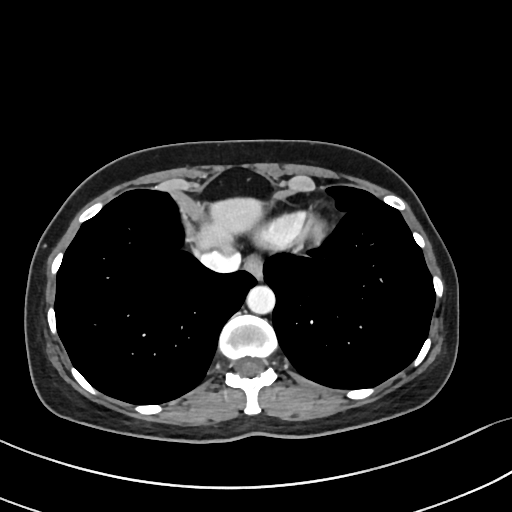 CT abdomen; axial view; W/L 400/40 HU
Bounding boxes as [x1, y1, x2, y2] in pixel coordinates.
Organ bounding boxes:
- esophagus: [244, 256, 262, 279]
- liver: [195, 197, 263, 249]
- aorta: [246, 285, 275, 313]
- inferior vena cava: [200, 249, 240, 272]